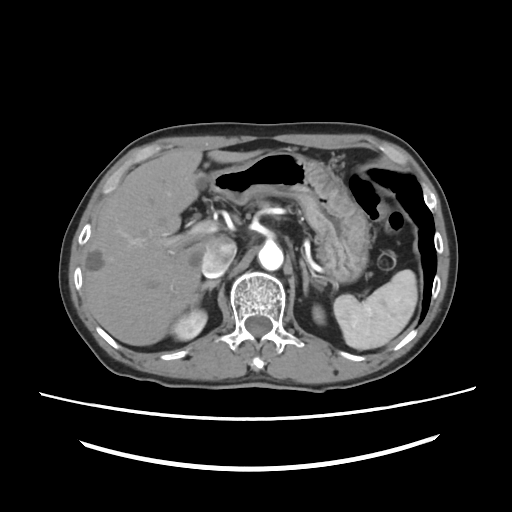

CT abdomen · axial view · soft-tissue window (W 400 / L 40) · Aquilion ONE scanner
<organs><organ name="spleen" x1="333" y1="269" x2="417" y2="349"/><organ name="right kidney" x1="170" y1="309" x2="207" y2="340"/><organ name="left kidney" x1="312" y1="304" x2="325" y2="324"/><organ name="liver" x1="84" y1="150" x2="261" y2="345"/><organ name="stomach" x1="200" y1="149" x2="369" y2="283"/><organ name="aorta" x1="258" y1="243" x2="283" y2="270"/><organ name="inferior vena cava" x1="201" y1="240" x2="236" y2="277"/><organ name="right adrenal gland" x1="190" y1="280" x2="219" y2="311"/><organ name="left adrenal gland" x1="300" y1="260" x2="311" y2="294"/></organs>